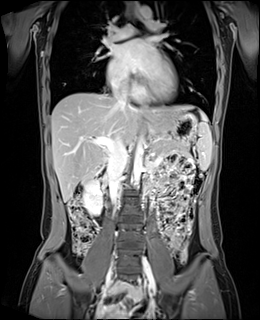
Magnetic resonance imaging, abdomen · coronal plane, index 79
Boxes: x1:y1:x2:y2 in pixels. The annotated organs in this slice are: spleen at 197:110:212:170, right kidney at 83:179:102:215, gall bladder at 82:177:90:185, esophagus at 142:106:149:118, liver at 51:92:195:202, stomach at 148:111:197:142, aorta at 133:136:144:187, aorta at 139:6:151:18, inferior vena cava at 107:132:127:203, inferior vena cava at 111:82:128:107, pancreas at 154:141:189:154, duodenum at 97:169:107:183.